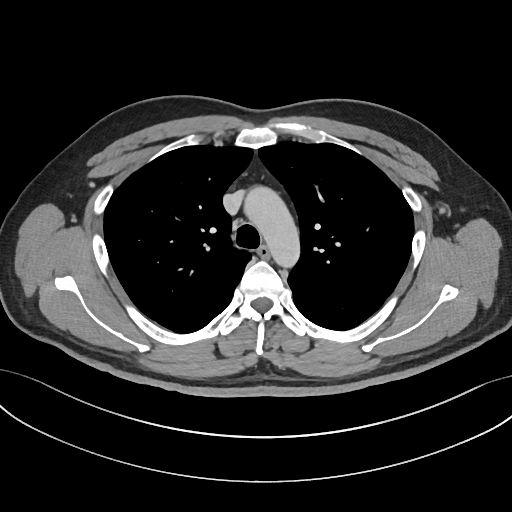 Chest-level slice from an abdominal CT that extends up into the chest — axial view — 512x512 px — acquired on SOMATOM Force
At this level of the chest this dataset labels only the esophagus and the aorta, and each is boxed only where it is labeled; the heart and lungs are never labeled.
Bounding boxes in pixels, one row per box: x1, y1 is the top-left corner and x2, y2 the bottom-right.
| organ | x1 | y1 | x2 | y2 |
|---|---|---|---|---|
| aorta | 244 | 186 | 300 | 267 |
| esophagus | 257 | 245 | 270 | 258 |